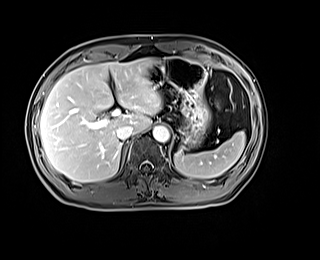 MRI, abdomen · axial view · percentile-normalized
<organs><organ name="stomach" x1="149" y1="57" x2="210" y2="147"/><organ name="spleen" x1="174" y1="131" x2="245" y2="178"/><organ name="inferior vena cava" x1="116" y1="125" x2="133" y2="140"/><organ name="liver" x1="40" y1="58" x2="162" y2="182"/><organ name="aorta" x1="153" y1="126" x2="169" y2="142"/></organs>